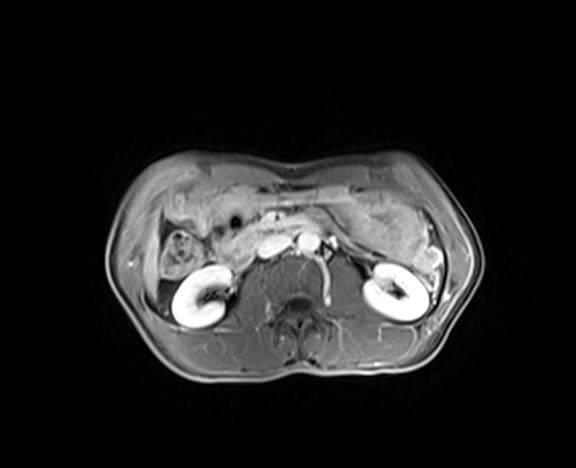

Abdominal MRI; axial plane, index 27; percentile-normalized
Boxes: x1:y1:x2:y2 in pixels.
inferior vena cava: 255:233:291:258
duodenum: 216:217:318:270
right kidney: 172:265:231:327
left kidney: 362:263:428:320
liver: 143:216:159:298
aorta: 297:231:319:253
pancreas: 234:222:271:245